CT, abdomen/pelvis — axial view — acquired on SOMATOM Force
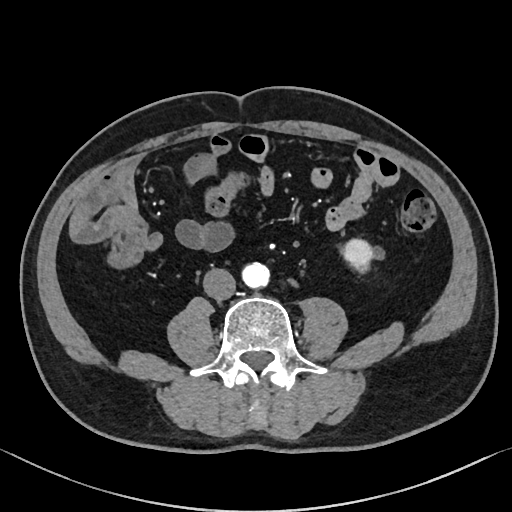 Box edges are left/top/right/bottom in pixels.
Organ bounding boxes:
- left kidney: left=342, top=239, right=373, bottom=272
- aorta: left=242, top=262, right=269, bottom=287
- inferior vena cava: left=203, top=268, right=235, bottom=300